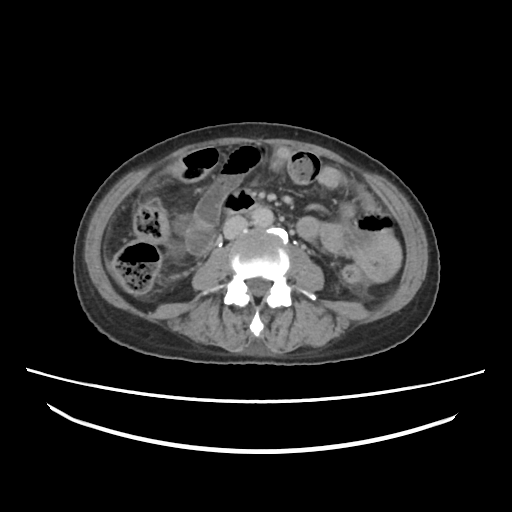
CT abdomen. axial view
<organs><organ name="duodenum" x1="223" y1="191" x2="257" y2="214"/><organ name="inferior vena cava" x1="222" y1="217" x2="248" y2="237"/><organ name="aorta" x1="253" y1="206" x2="273" y2="226"/></organs>